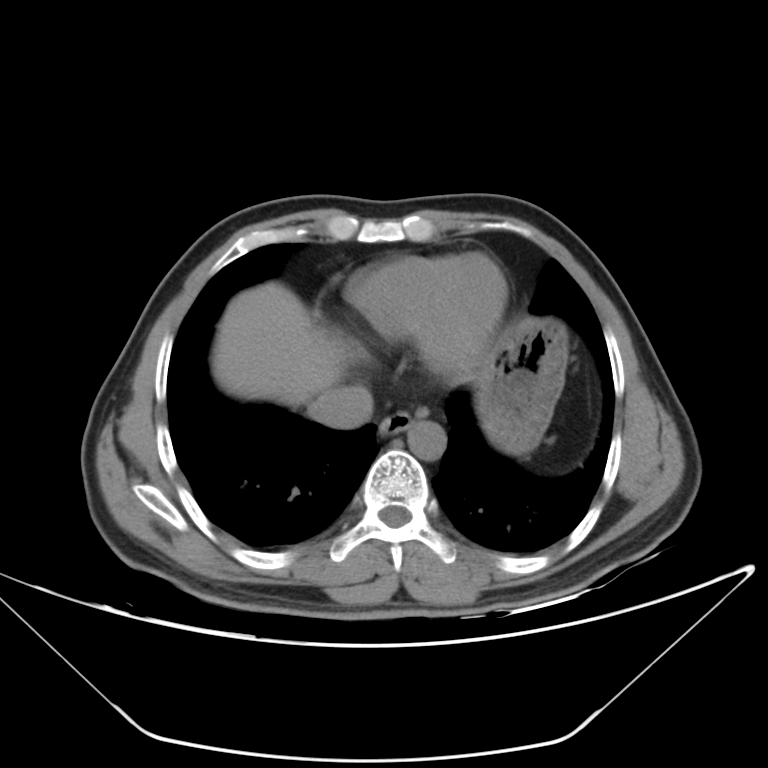
Computed tomography, abdomen; axial view; abdomen soft-tissue window; acquired on Brilliance16; scan has 15 labeled organs (counted over the whole 3D scan, not this slice; an organ is boxed only where this slice passes through it)
Box edges are left/top/right/bottom in pixels.
esophagus: left=378, top=411, right=412, bottom=435
liver: left=211, top=282, right=345, bottom=406
stomach: left=483, top=317, right=567, bottom=454
aorta: left=407, top=421, right=446, bottom=460
inferior vena cava: left=310, top=386, right=373, bottom=429